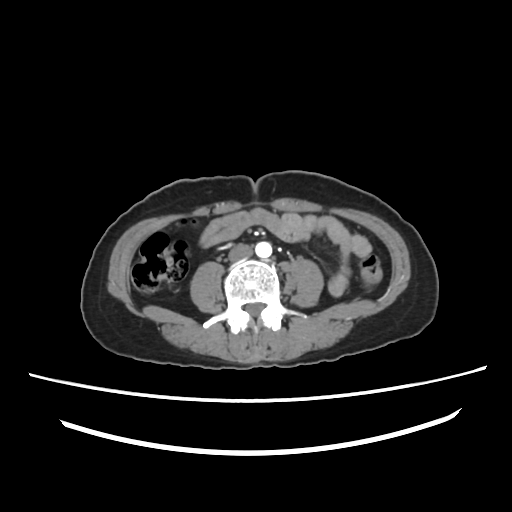

CT, abdomen/pelvis — axial view — 512x512 px
One row per box, in pixels: columns x1 and y1 give the top-left corner, x2 and y2 the bottom-right.
| organ | x1 | y1 | x2 | y2 |
|---|---|---|---|---|
| aorta | 255 | 242 | 272 | 258 |
| inferior vena cava | 228 | 244 | 252 | 262 |